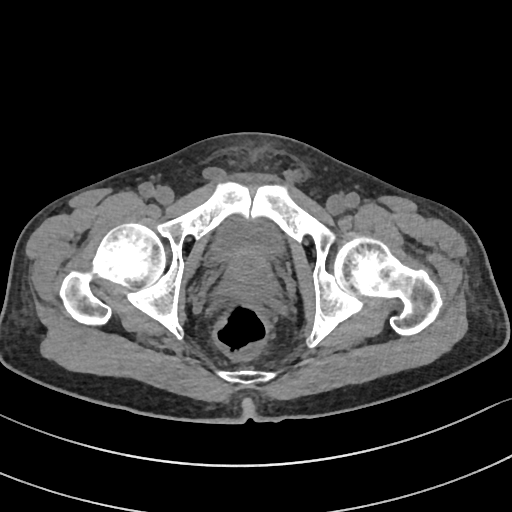

Abdominal CT — axial view — soft-tissue window
Boxes: x1:y1:x2:y2 in pixels.
Organ bounding boxes:
- prostate/uterus: 224:247:272:294
- bladder: 207:219:282:261